Abdominal CT; axial view; acquired on Brilliance16
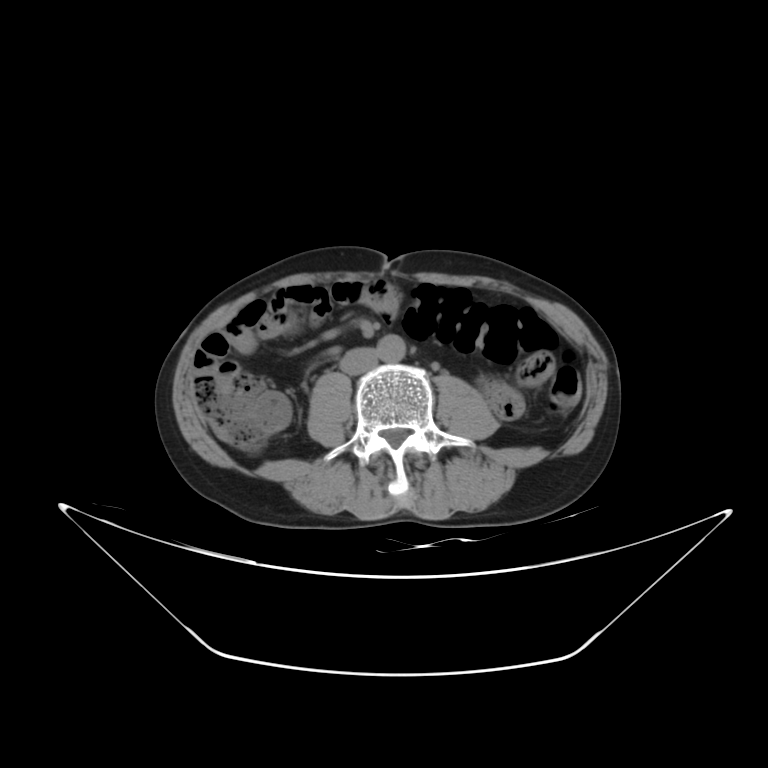
Bounding boxes as [x1, y1, x2, y2] in pixel coordinates. 2 labeled organs on this slice — aorta at [377, 334, 405, 362]; inferior vena cava at [340, 347, 378, 375].